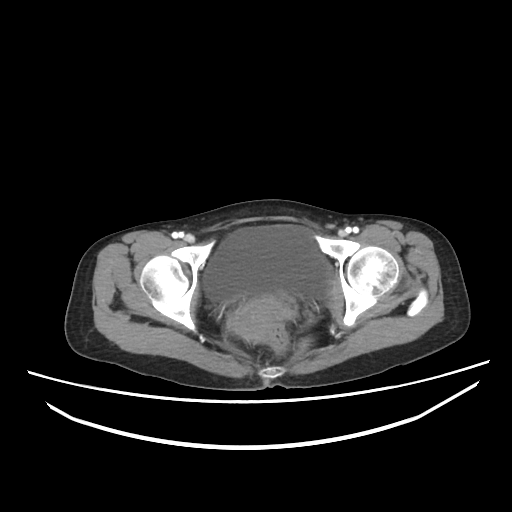
Computed tomography, abdomen — axial plane, index 7 — Aquilion ONE scanner — scan has 15 labeled organs (that count is for the whole scan; organs this slice misses have no box)
Organ boxes in pixel coordinates; each row gives the top-left (x1, y1) and bottom-right (x2, y2) corners.
| organ | x1 | y1 | x2 | y2 |
|---|---|---|---|---|
| prostate/uterus | 235 | 297 | 297 | 342 |
| bladder | 203 | 225 | 331 | 301 |